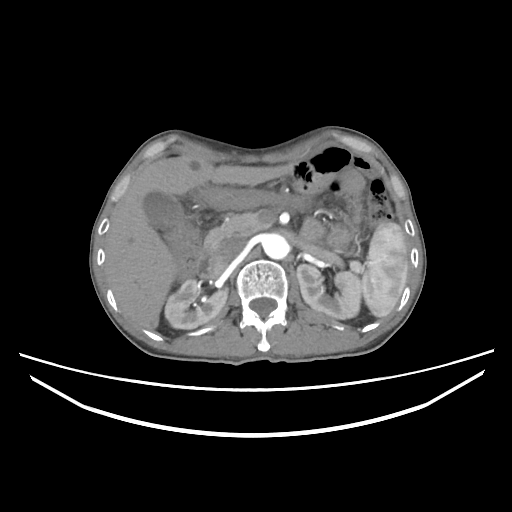 CT abdomen · axial view · soft-tissue window
<organs><organ name="spleen" x1="361" y1="222" x2="408" y2="317"/><organ name="right kidney" x1="164" y1="279" x2="227" y2="329"/><organ name="left kidney" x1="296" y1="264" x2="361" y2="319"/><organ name="gall bladder" x1="143" y1="191" x2="186" y2="231"/><organ name="liver" x1="104" y1="156" x2="291" y2="329"/><organ name="aorta" x1="262" y1="234" x2="289" y2="259"/><organ name="inferior vena cava" x1="216" y1="235" x2="246" y2="265"/><organ name="pancreas" x1="204" y1="213" x2="260" y2="256"/><organ name="duodenum" x1="196" y1="248" x2="212" y2="276"/></organs>